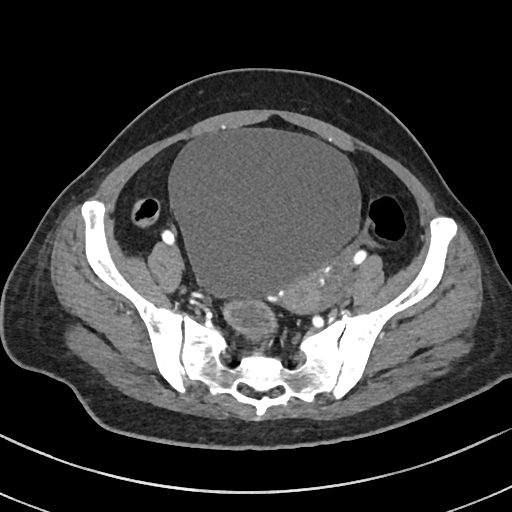
CT, abdomen/pelvis · axial view · soft-tissue window (W 400 / L 40) · 512x512 px · 15 organs annotated in this scan (counted over the whole 3D scan, not this slice; an organ is boxed only where this slice passes through it)
Bounding boxes in pixels, one row per box: x1, y1 is the top-left corner and x2, y2 the bottom-right.
| organ | x1 | y1 | x2 | y2 |
|---|---|---|---|---|
| prostate/uterus | 282 | 277 | 322 | 314 |
| bladder | 167 | 126 | 359 | 299 |